Abdominal CT · axial view · abdomen soft-tissue window
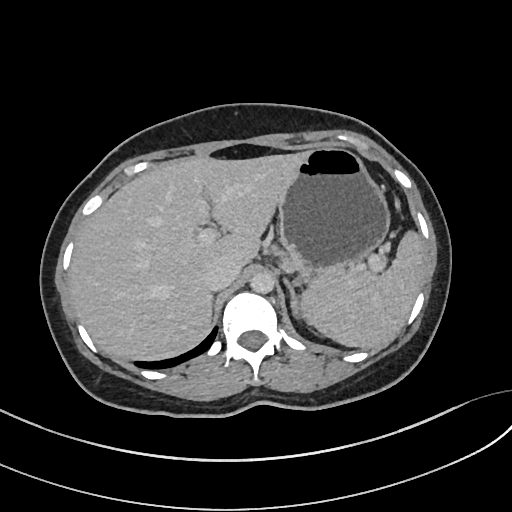
<organs><organ name="aorta" x1="249" y1="271" x2="274" y2="293"/><organ name="spleen" x1="302" y1="228" x2="424" y2="348"/><organ name="liver" x1="69" y1="152" x2="307" y2="360"/><organ name="stomach" x1="278" y1="148" x2="391" y2="280"/><organ name="left adrenal gland" x1="285" y1="281" x2="303" y2="322"/><organ name="inferior vena cava" x1="204" y1="258" x2="239" y2="291"/></organs>